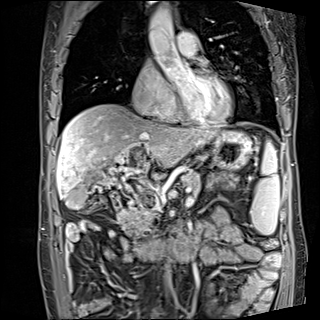 Magnetic resonance imaging, abdomen. Coronal slice 37/60. 1st–99th percentile window. 320x320 px
{"organs":{"gall bladder":[66,184,86,209],"spleen":[250,143,279,235],"liver":[57,104,216,198],"aorta":[[148,5,175,51],[165,269,171,282]],"pancreas":[117,170,200,239],"duodenum":[111,190,194,261],"stomach":[211,131,252,169]}}